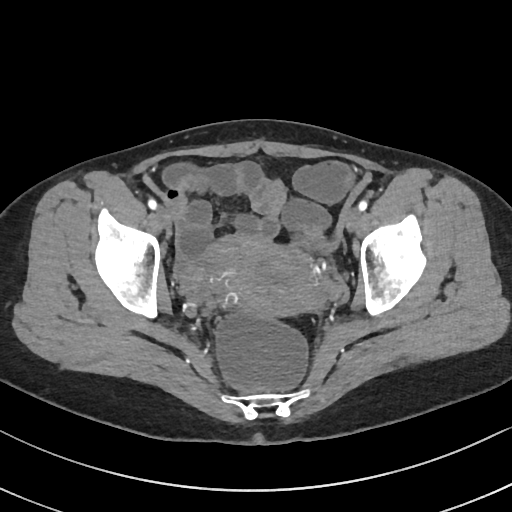
CT, abdomen/pelvis. axial view. 512x512 px
Bounding boxes as [x1, y1, x2, y2] in pixel coordinates.
Organ bounding boxes:
- prostate/uterus: [209, 237, 324, 317]